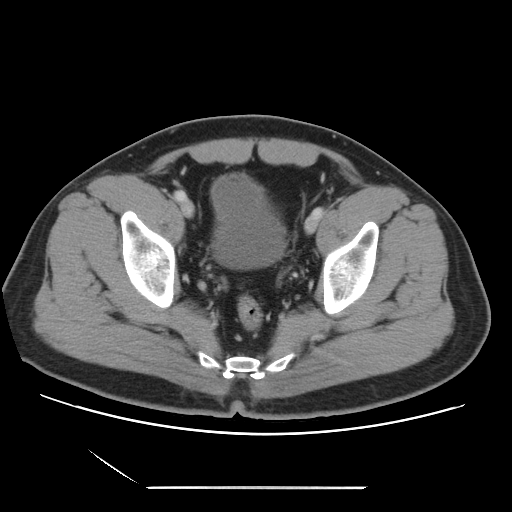
CT, abdomen/pelvis · axial view
Each box given as x1,y1,x2,y2.
Organ bounding boxes:
- bladder: x1=211, y1=174, x2=285, y2=268